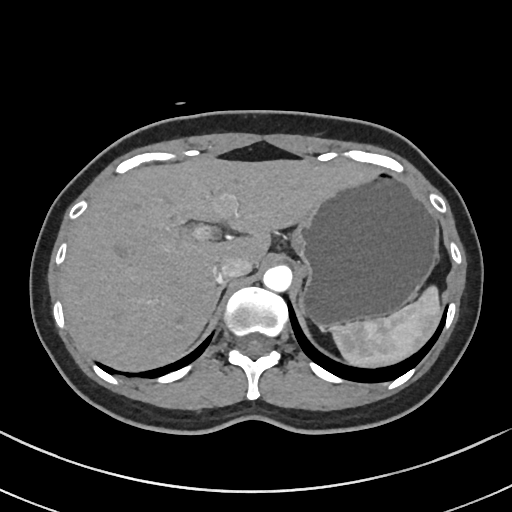
CT, abdomen/pelvis; Axial slice 191/242
{"organs":{"aorta":[263,265,292,291],"spleen":[330,286,440,366],"inferior vena cava":[213,257,251,282],"right adrenal gland":[215,282,226,304],"stomach":[291,171,439,327],"liver":[61,156,377,370]}}